MRI, abdomen — Coronal slice 60/144
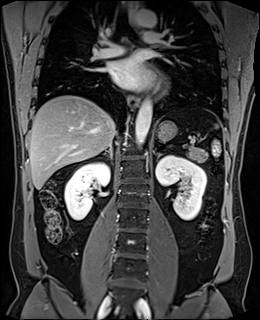

Coordinates as <box>x1,y1,x2,y2</box> in pixels.
Organ bounding boxes:
- right kidney: <box>64,162,109,220</box>
- right adrenal gland: <box>102,146,112,158</box>
- left kidney: <box>156,155,206,220</box>
- spleen: <box>214,123,218,128</box>
- stomach: <box>156,121,177,141</box>
- aorta: <box>135,99,152,145</box>
- aorta: <box>133,10,156,27</box>
- liver: <box>29,95,116,189</box>
- left adrenal gland: <box>156,153,163,161</box>
- esophagus: <box>129,1,138,25</box>
- esophagus: <box>128,95,139,108</box>
- pancreas: <box>182,144,207,162</box>